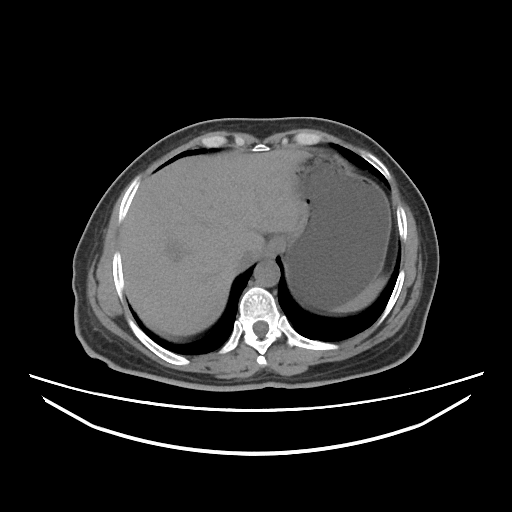

Abdominal CT — Axial slice 87/97 — soft-tissue window — 15 organs annotated in this scan (that count is for the whole scan; organs this slice misses have no box)
<organs><organ name="spleen" x1="336" y1="277" x2="386" y2="313"/><organ name="esophagus" x1="265" y1="237" x2="282" y2="258"/><organ name="liver" x1="120" y1="149" x2="307" y2="337"/><organ name="stomach" x1="282" y1="152" x2="391" y2="311"/><organ name="aorta" x1="254" y1="260" x2="279" y2="286"/><organ name="inferior vena cava" x1="240" y1="250" x2="263" y2="266"/></organs>